Computed tomography, abdomen. axial view. scan has 15 labeled organs (a whole-scan count: organs this slice does not pass through have no box)
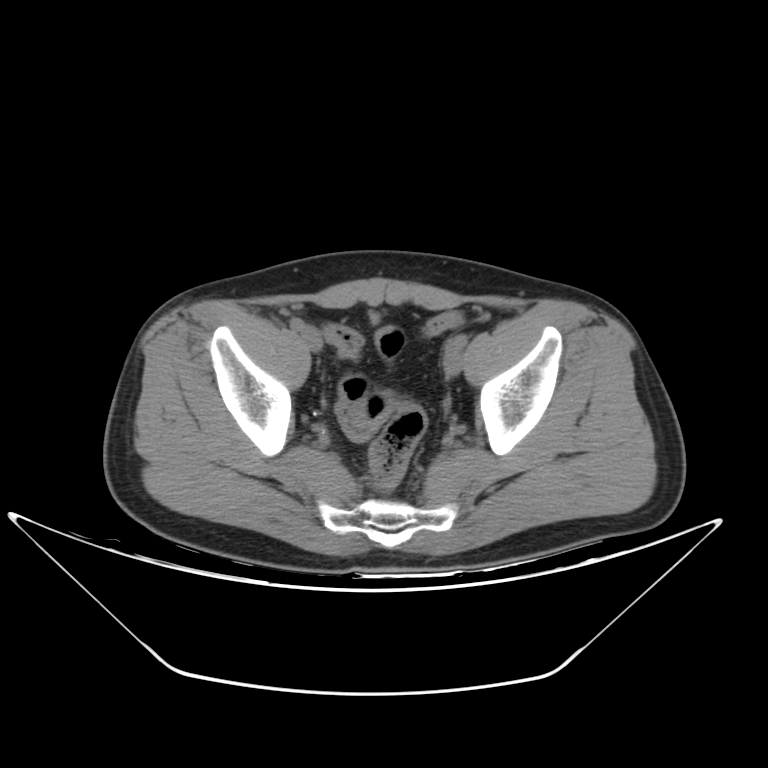

Organ boxes in pixel coordinates; each row gives the top-left (x1, y1) and bottom-right (x2, y2) corners.
| organ | x1 | y1 | x2 | y2 |
|---|---|---|---|---|
| bladder | 368 | 313 | 378 | 325 |